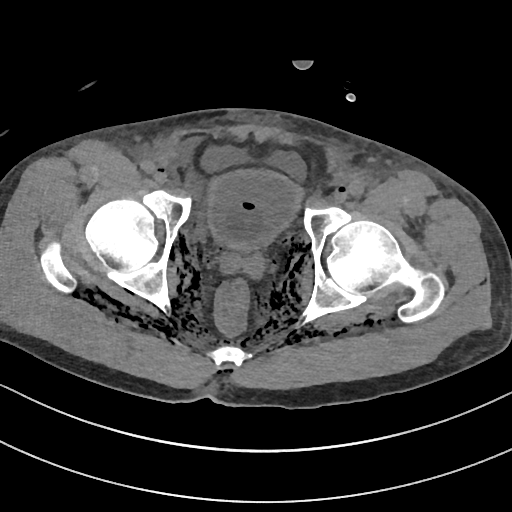

Abdominal CT; axial view; abdomen soft-tissue window
Box edges are left/top/right/bottom in pixels.
bladder: left=208, top=170, right=300, bottom=248